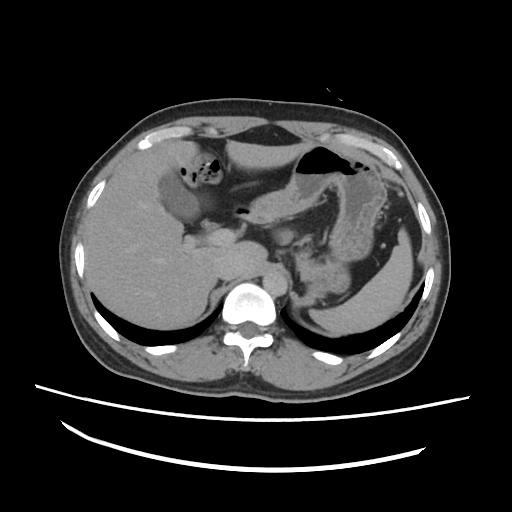
Computed tomography, abdomen · Axial slice 80/97 · 44-year-old male patient
One row per box, in pixels: columns x1 and y1 give the top-left corner, x2 and y2 the bottom-right.
| organ | x1 | y1 | x2 | y2 |
|---|---|---|---|---|
| spleen | 308 | 227 | 413 | 333 |
| gall bladder | 159 | 172 | 198 | 223 |
| liver | 86 | 138 | 315 | 327 |
| stomach | 249 | 144 | 384 | 302 |
| aorta | 262 | 273 | 286 | 295 |
| inferior vena cava | 214 | 256 | 245 | 279 |
| pancreas | 280 | 229 | 312 | 270 |
| duodenum | 234 | 205 | 263 | 224 |